Computed tomography, abdomen · axial view · 15 organs annotated in this scan (counted over the whole 3D scan, not this slice; an organ is boxed only where this slice passes through it)
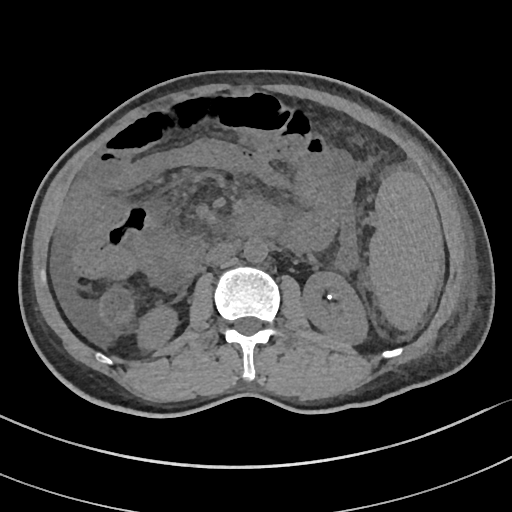

<organs><organ name="right kidney" x1="137" y1="305" x2="177" y2="350"/><organ name="spleen" x1="369" y1="172" x2="443" y2="330"/><organ name="duodenum" x1="180" y1="218" x2="260" y2="277"/><organ name="left kidney" x1="301" y1="271" x2="368" y2="344"/><organ name="inferior vena cava" x1="205" y1="242" x2="236" y2="265"/><organ name="aorta" x1="244" y1="238" x2="268" y2="262"/></organs>